Abdominal CT reaching into the chest; this slice is in the chest — axial view
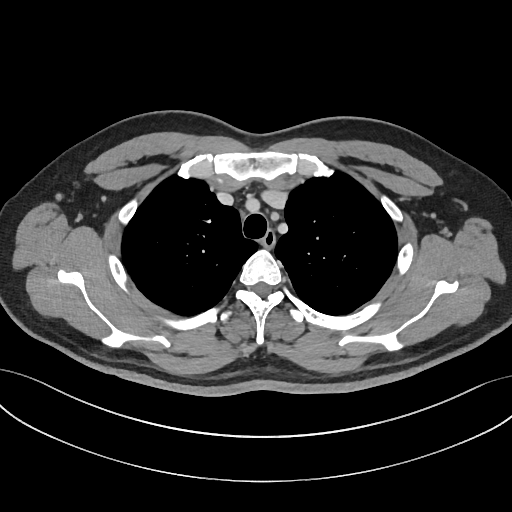 At this level of the chest this dataset labels only the esophagus and the aorta, and each is boxed only where it is labeled; the heart and lungs are never labeled.
<organs><organ name="esophagus" x1="261" y1="231" x2="275" y2="248"/></organs>